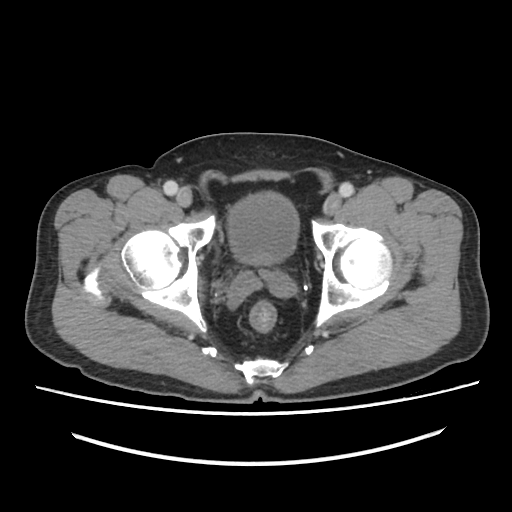

Abdominal CT; Axial slice 15/124
{"organs":{"bladder":[228,192,298,264]}}